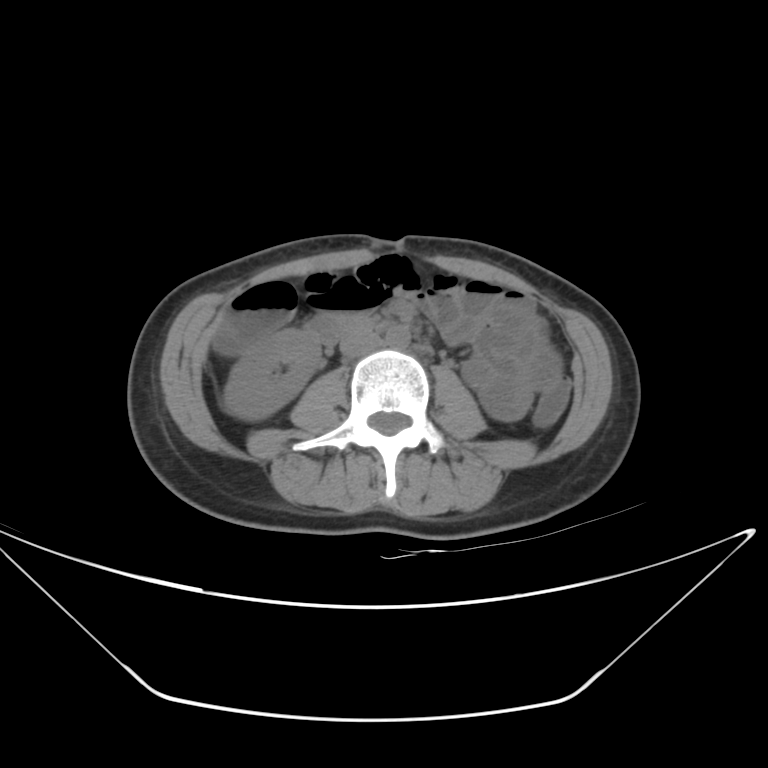

Computed tomography, abdomen — axial plane, index 53 — 32-year-old female patient — scan has 15 labeled organs (counted over the whole 3D scan, not this slice; an organ is boxed only where this slice passes through it)
Coordinates as <box>x1,y1,x2,y2</box> in pixels.
Organ bounding boxes:
- right kidney: <box>223,329,320,420</box>
- aorta: <box>385,326,409,349</box>
- inferior vena cava: <box>340,331,382,357</box>
- duodenum: <box>308,314,371,341</box>